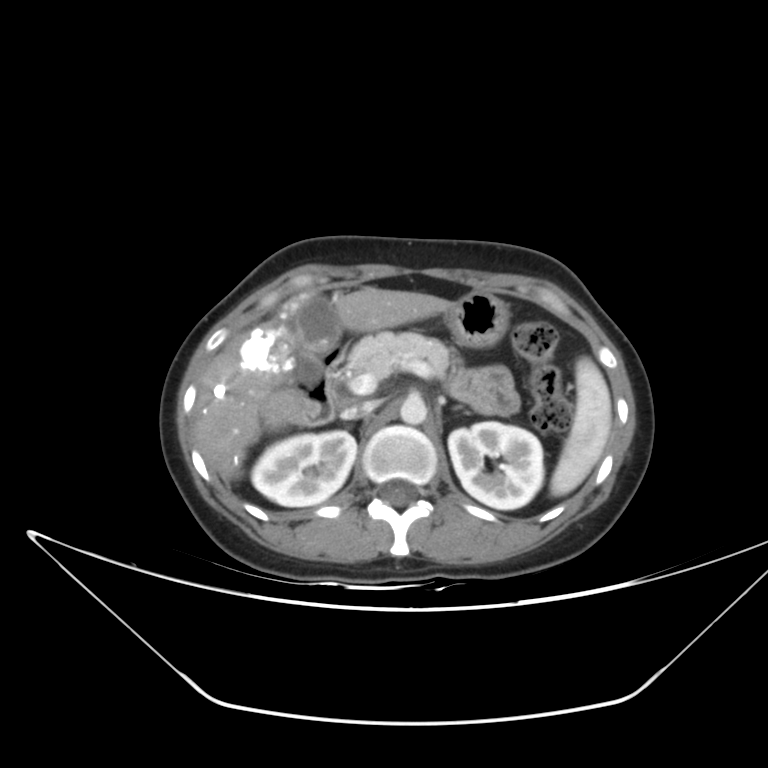 Computed tomography, abdomen — Axial slice 17/72 — abdomen soft-tissue window — 768x768 px — 34-year-old female patient
<organs><organ name="spleen" x1="550" y1="357" x2="611" y2="496"/><organ name="right kidney" x1="251" y1="431" x2="356" y2="506"/><organ name="left kidney" x1="448" y1="421" x2="543" y2="509"/><organ name="gall bladder" x1="291" y1="295" x2="341" y2="379"/><organ name="liver" x1="194" y1="287" x2="451" y2="480"/><organ name="stomach" x1="444" y1="292" x2="508" y2="346"/><organ name="aorta" x1="400" y1="395" x2="427" y2="424"/><organ name="inferior vena cava" x1="341" y1="401" x2="381" y2="419"/><organ name="pancreas" x1="346" y1="332" x2="451" y2="378"/><organ name="left adrenal gland" x1="442" y1="399" x2="462" y2="409"/><organ name="duodenum" x1="293" y1="342" x2="344" y2="425"/></organs>